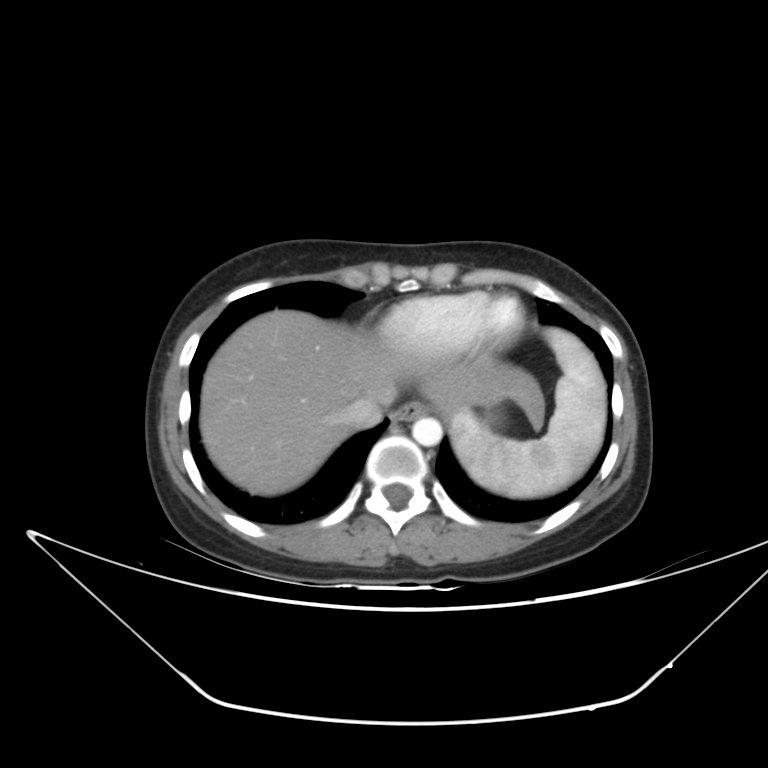 CT abdomen; axial view; W/L 400/40 HU; 34-year-old female patient
Boxes are (x1, y1, x2, y2) in pixels.
spleen: (450, 327, 606, 498)
esophagus: (392, 400, 427, 421)
liver: (199, 310, 545, 495)
aorta: (412, 416, 442, 445)
inferior vena cava: (340, 396, 391, 428)